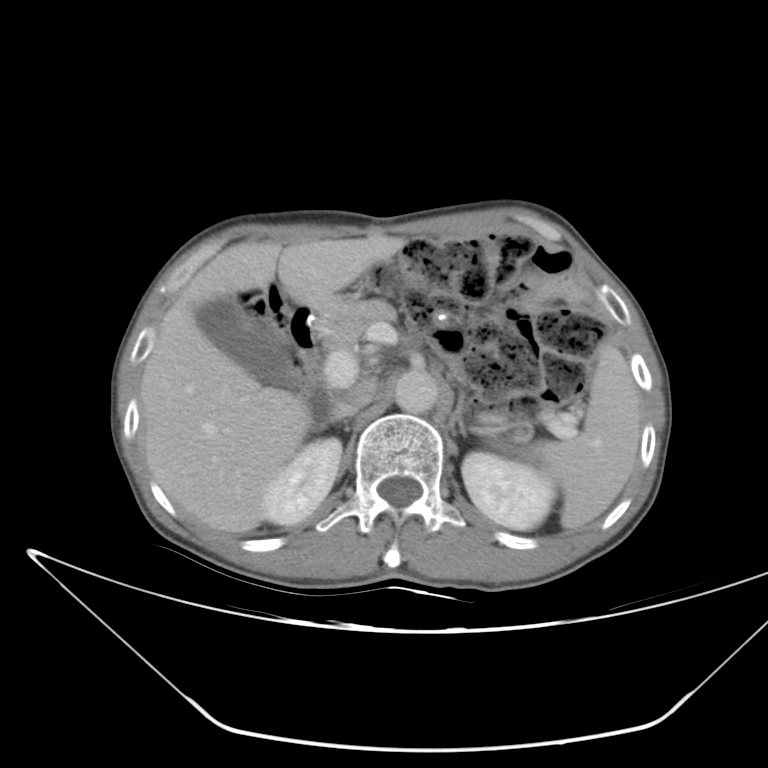

CT abdomen; axial view; soft-tissue window
{"organs":{"spleen":[516,341,642,529],"right kidney":[265,438,341,526],"left kidney":[463,450,556,529],"gall bladder":[197,302,312,408],"liver":[138,233,409,535],"aorta":[395,367,441,414],"inferior vena cava":[331,376,379,419],"pancreas":[318,297,405,349],"right adrenal gland":[311,422,332,433],"left adrenal gland":[448,392,466,436],"duodenum":[291,310,332,423]}}